Chest-level CT slice, above the liver and spleen. axial view
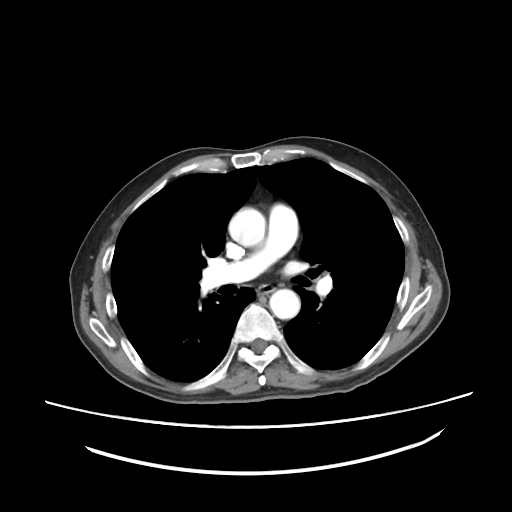
At this level of the chest this dataset labels only the esophagus and the aorta, and each is boxed only where it is labeled; the heart and lungs are never labeled. Bounding boxes as [x1, y1, x2, y2] in pixel coordinates. Labeled organs on this slice: esophagus at [257, 284, 274, 293], aorta at [228, 207, 265, 246], aorta at [269, 289, 300, 319].